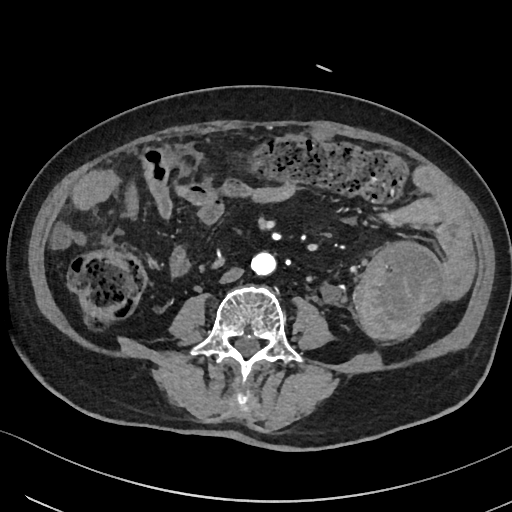

Abdominal CT. axial view
Boxes are (x1, y1, x2, y2) in pixels. 2 labeled organs on this slice — aorta at (250, 251, 276, 275); inferior vena cava at (220, 267, 243, 283).